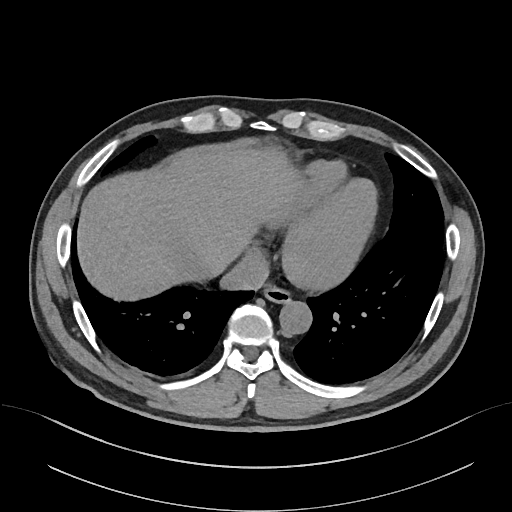

CT, abdomen/pelvis. axial view
Bounding boxes as [x1, y1, x2, y2] in pixel coordinates.
esophagus: [264, 285, 291, 303]
liver: [77, 147, 303, 300]
aorta: [279, 301, 312, 333]
inferior vena cava: [220, 249, 269, 290]